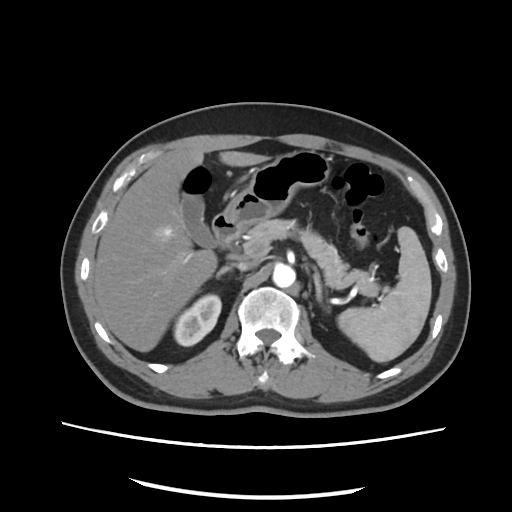 Computed tomography, abdomen — axial view — soft-tissue window — 512x512 px — 66-year-old male patient
Bounding boxes as [x1, y1, x2, y2] in pixel coordinates. The annotated organs in this slice are: left adrenal gland at [312, 265, 323, 302], pancreas at [231, 219, 377, 298], right kidney at [172, 294, 221, 346], duodenum at [211, 214, 241, 249], aorta at [274, 265, 296, 287], spleen at [337, 227, 432, 362], inferior vena cava at [232, 261, 257, 270], right adrenal gland at [216, 265, 233, 277], gall bladder at [180, 195, 215, 246], stomach at [222, 150, 330, 226], liver at [92, 150, 267, 350].